CT abdomen. axial plane, index 75. soft-tissue window (W 400 / L 40). 512x512 px
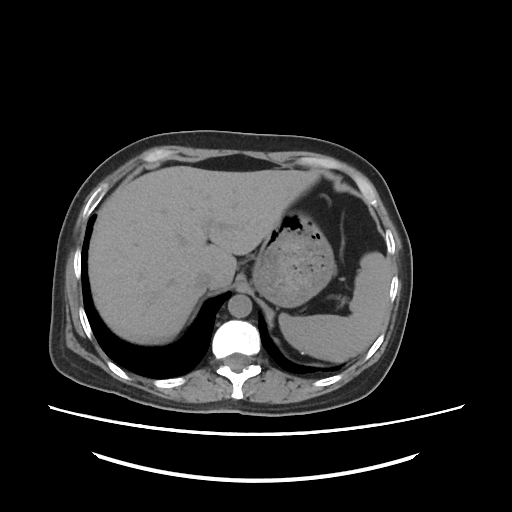 Boxes: x1 y1 x2 y2 (pixel coords, space-separated).
Organ bounding boxes:
- liver: 89 165 319 344
- inferior vena cava: 195 271 213 287
- aorta: 227 294 251 317
- stomach: 251 210 335 307
- spleen: 279 253 390 360